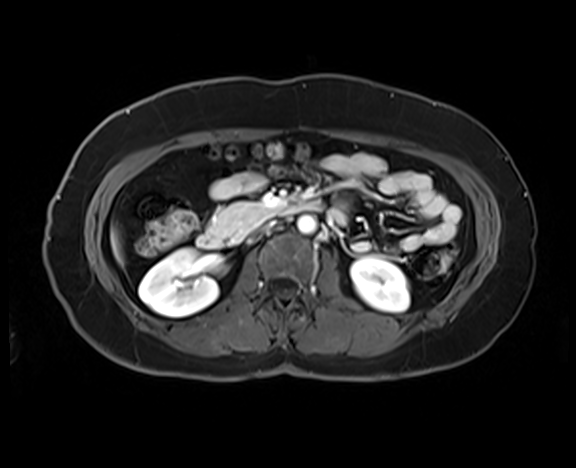
Abdominal MRI. Axial slice 9/72
<organs><organ name="right kidney" x1="139" y1="248" x2="224" y2="316"/><organ name="left kidney" x1="351" y1="257" x2="409" y2="311"/><organ name="liver" x1="111" y1="229" x2="122" y2="263"/><organ name="aorta" x1="297" y1="215" x2="316" y2="233"/><organ name="inferior vena cava" x1="257" y1="221" x2="275" y2="233"/><organ name="pancreas" x1="210" y1="202" x2="275" y2="236"/><organ name="duodenum" x1="197" y1="200" x2="322" y2="248"/></organs>